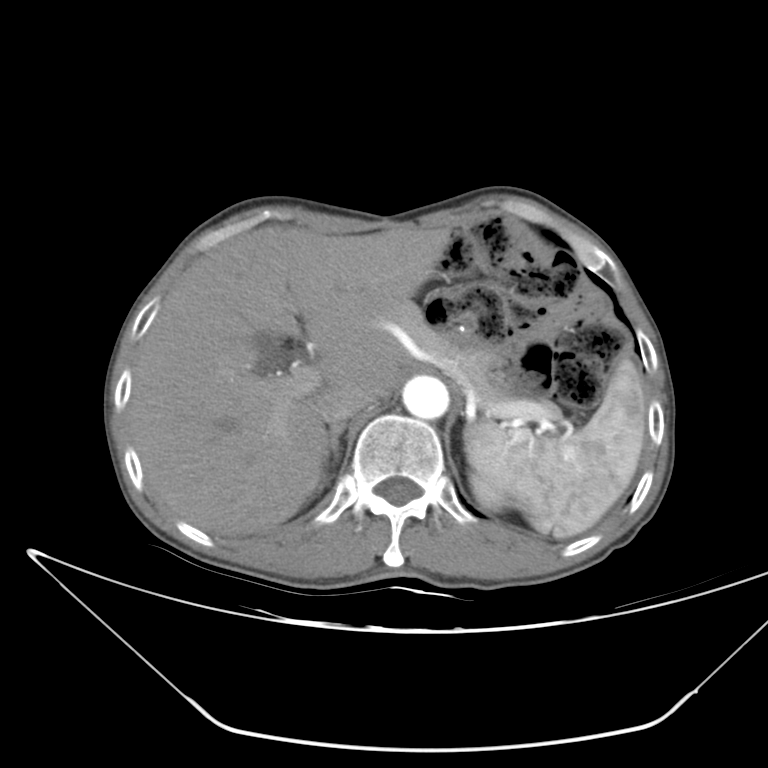 Computed tomography, abdomen · axial view · abdomen soft-tissue window · 768x768 px · 13 organs annotated in this scan (a whole-scan count: organs this slice does not pass through have no box)
<organs><organ name="aorta" x1="402" y1="376" x2="449" y2="419"/><organ name="liver" x1="127" y1="226" x2="450" y2="536"/><organ name="pancreas" x1="374" y1="300" x2="565" y2="421"/><organ name="inferior vena cava" x1="317" y1="382" x2="375" y2="425"/><organ name="right adrenal gland" x1="326" y1="423" x2="345" y2="463"/><organ name="gall bladder" x1="256" y1="334" x2="287" y2="371"/><organ name="left kidney" x1="470" y1="472" x2="509" y2="510"/><organ name="spleen" x1="465" y1="357" x2="645" y2="538"/></organs>